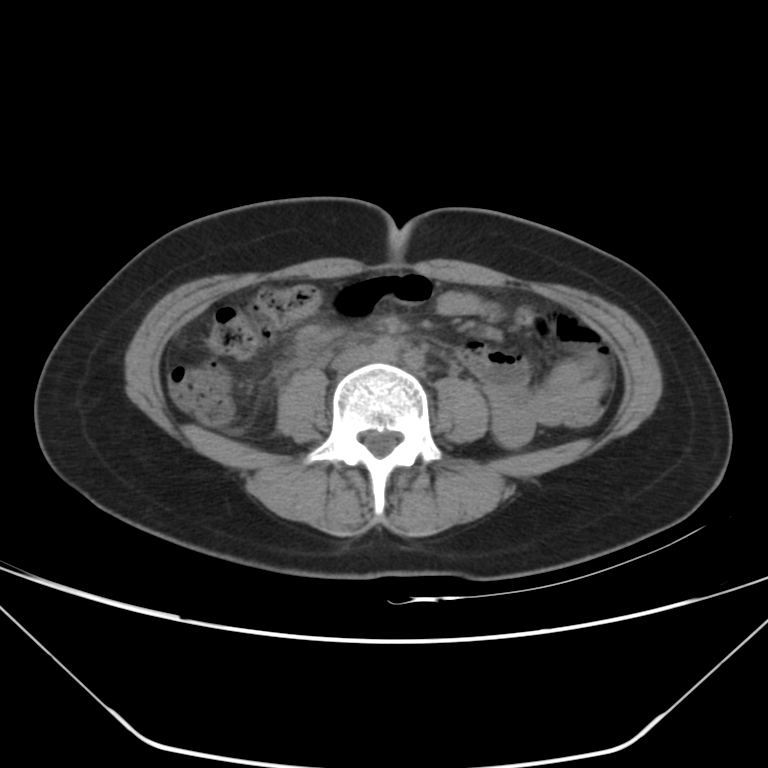 Abdominal CT · axial view
{"organs":{"inferior vena cava":[332,347,375,371]}}